Computed tomography, abdomen · axial view · abdomen soft-tissue window · 512x512 px · SOMATOM Force scanner
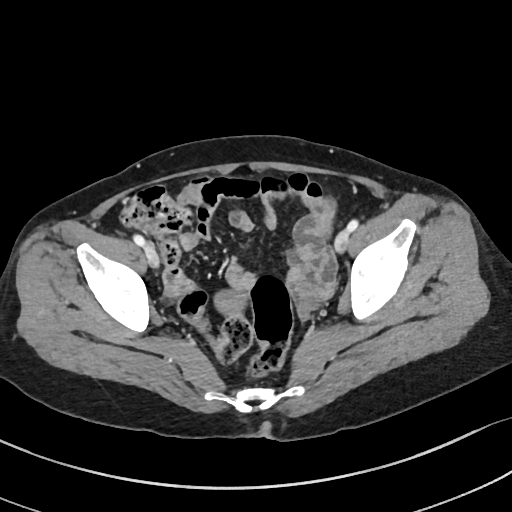
Bounding boxes as [x1, y1, x2, y2] in pixel coordinates.
Organ bounding boxes:
- prostate/uterus: [214, 291, 245, 316]